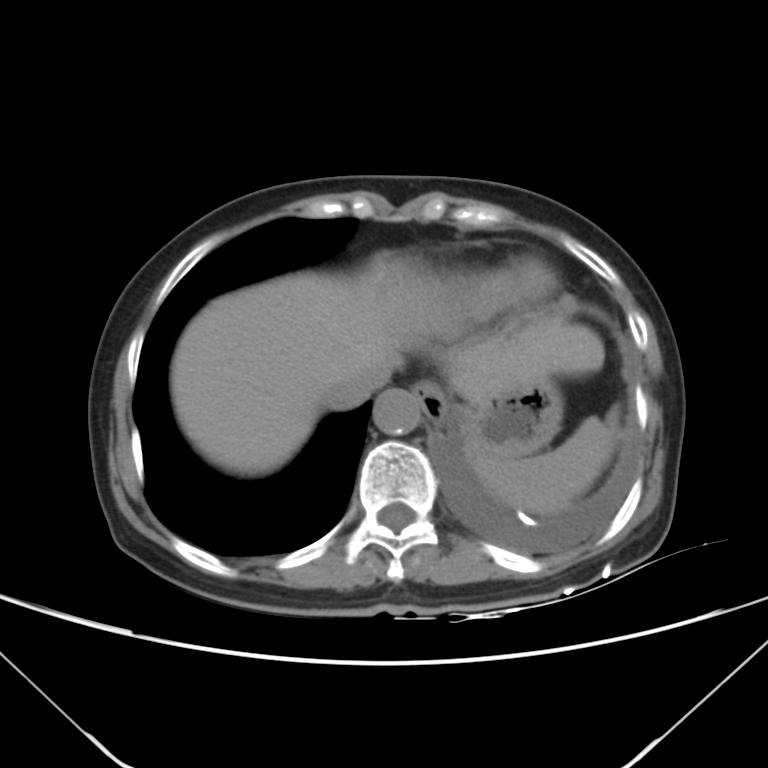 Computed tomography, abdomen. Axial slice 84/92. W/L 400/40 HU
Boxes: x1 y1 x2 y2 (pixel coords, space-separated).
inferior vena cava: 325 361 390 407
aorta: 374 389 421 434
stomach: 442 375 563 456
spleen: 475 407 619 514
esophagus: 412 382 444 420
liver: 171 260 605 474